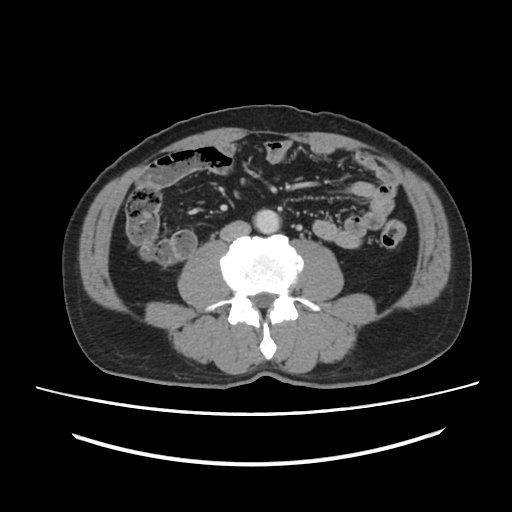 CT abdomen — axial view — 58-year-old male patient
Bounding boxes as [x1, y1, x2, y2] in pixel coordinates.
aorta: [254, 209, 279, 233]
inferior vena cava: [220, 220, 250, 241]